CT abdomen · axial view · 512x512 px · 15 organs annotated in this scan (that count is for the whole scan; organs this slice misses have no box)
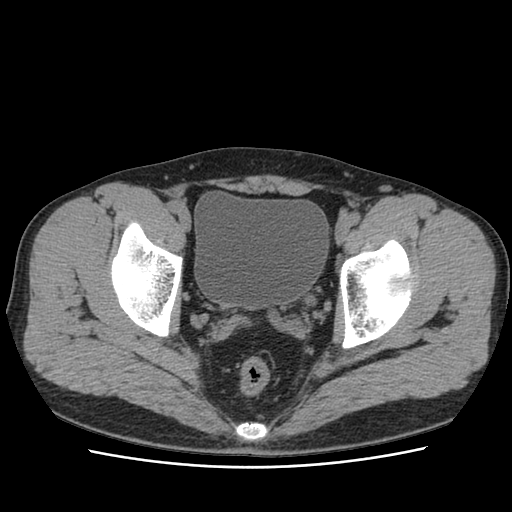 {"organs":{"bladder":[194,191,328,308]}}